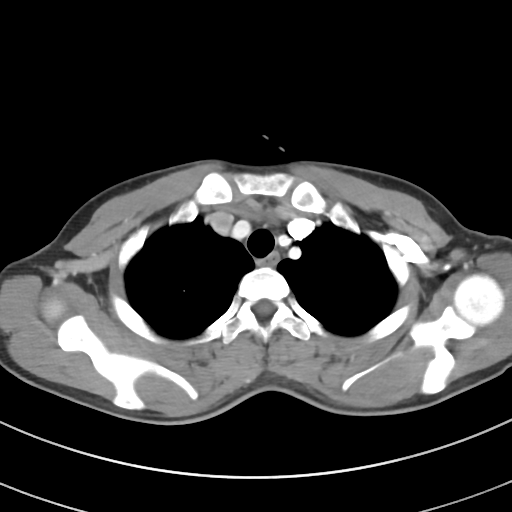
CT of the abdomen extending into the chest, slice through the chest — axial view — 512x512 px
At this level of the chest this dataset labels only the esophagus and the aorta, and each is boxed only where it is labeled; the heart and lungs are never labeled.
Each box given as x1,y1,x2,y2.
Organ bounding boxes:
- esophagus: x1=259, y1=253, x2=279, y2=264